Abdominal MR. axial plane, index 55. percentile-normalized. 576x468 px
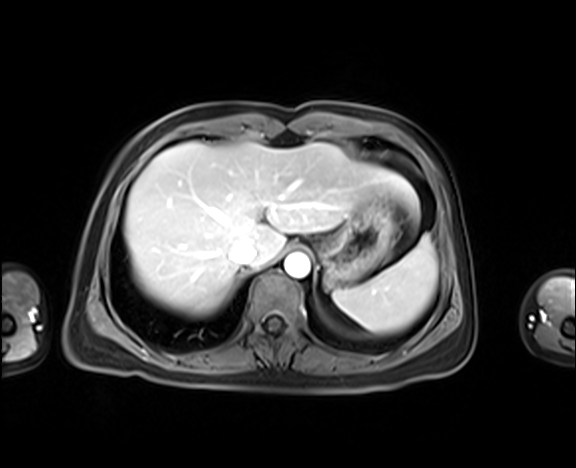 {"organs":{"spleen":[332,235,437,333],"liver":[124,142,419,316],"stomach":[318,192,396,287],"aorta":[284,253,310,278],"inferior vena cava":[230,243,256,265]}}